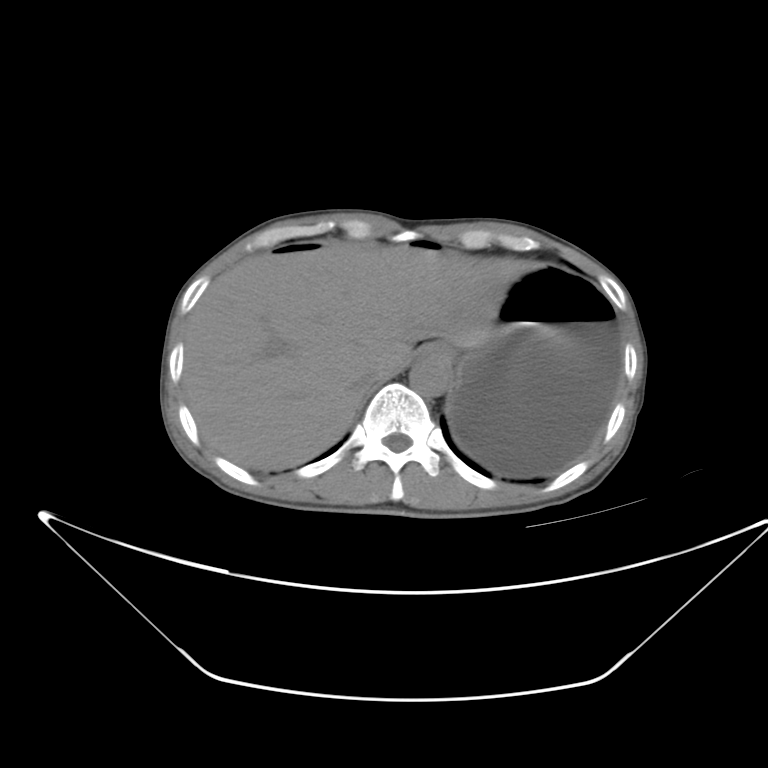

Abdominal CT · axial view · scan has 15 labeled organs (a whole-scan count: organs this slice does not pass through have no box)
<organs><organ name="esophagus" x1="420" y1="342" x2="462" y2="354"/><organ name="liver" x1="182" y1="244" x2="536" y2="471"/><organ name="stomach" x1="447" y1="264" x2="622" y2="478"/><organ name="aorta" x1="410" y1="352" x2="457" y2="394"/><organ name="inferior vena cava" x1="348" y1="366" x2="382" y2="395"/></organs>